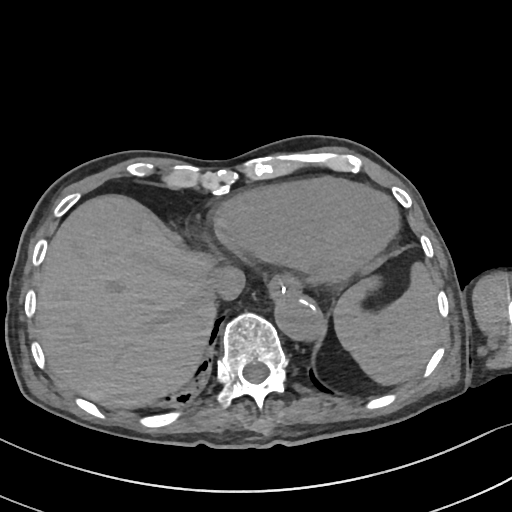
Computed tomography, abdomen · axial plane, index 176 · 512x512 px
One row per box, in pixels: columns x1 and y1 give the top-left corner, x2 and y2 the bottom-right.
| organ | x1 | y1 | x2 | y2 |
|---|---|---|---|---|
| spleen | 334 | 264 | 442 | 385 |
| esophagus | 268 | 274 | 301 | 299 |
| liver | 36 | 194 | 215 | 408 |
| aorta | 275 | 294 | 322 | 340 |
| inferior vena cava | 211 | 266 | 245 | 300 |